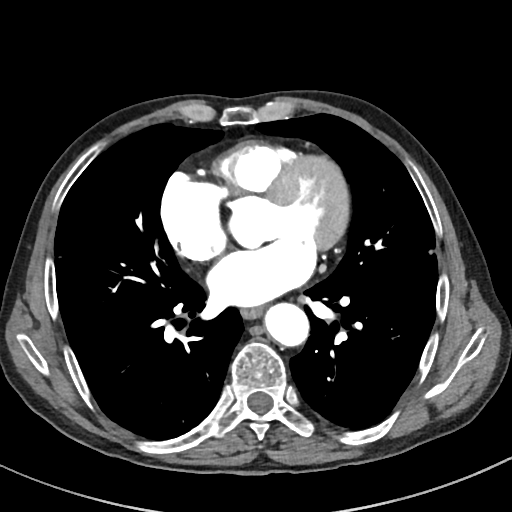

Abdominal CT; this slice is in the lower chest, just above the liver; axial plane, index 227; W/L 400/40 HU; 15 organs annotated in this scan (a whole-scan count: organs this slice does not pass through have no box)
No part of the heart or lungs is labeled in this dataset, so neither has a box here.
Boxes are (x1, y1, x2, y2) in pixels.
Organ bounding boxes:
- esophagus: (241, 307, 261, 317)
- aorta: (263, 302, 308, 345)